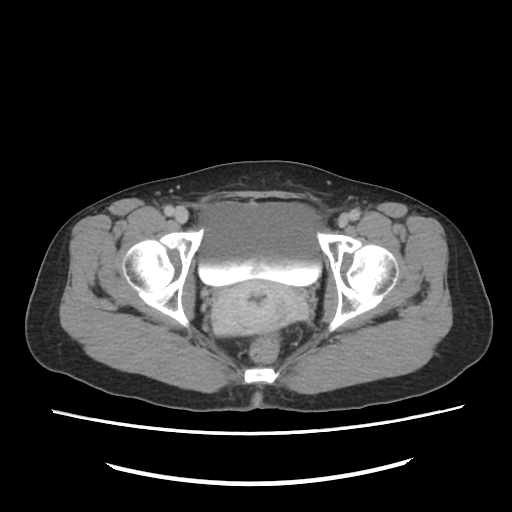
Abdominal CT · Axial slice 14/85 · abdomen soft-tissue window · 512x512 px · scan has 15 labeled organs (that count is for the whole scan; organs this slice misses have no box)
Each box given as x1,y1,x2,y2. 2 labeled organs on this slice — bladder at x1=197, y1=200, x2=320, y2=288; prostate/uterus at x1=211, y1=282, x2=308, y2=334.